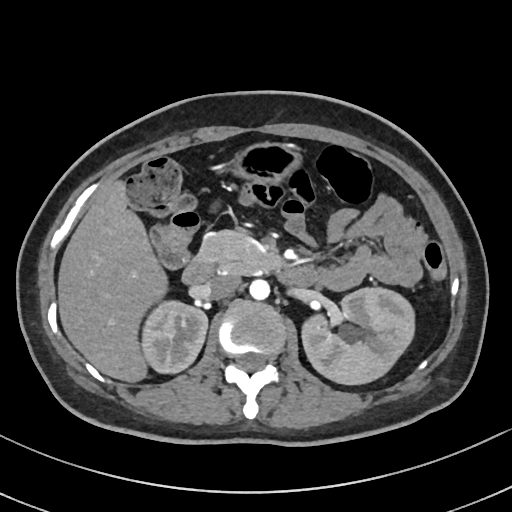 Computed tomography, abdomen. axial view. soft-tissue window. 15 organs annotated in this scan (counted over the whole 3D scan, not this slice; an organ is boxed only where this slice passes through it)
{"organs":{"right kidney":[141,300,207,373],"pancreas":[197,230,283,274],"liver":[58,179,167,382],"left kidney":[301,288,414,384],"duodenum":[182,258,317,286],"inferior vena cava":[205,274,241,299],"aorta":[249,279,269,299],"stomach":[229,142,301,182]}}